CT, abdomen/pelvis — Axial slice 40/118 — abdomen soft-tissue window — 512x512 px — SOMATOM Force scanner
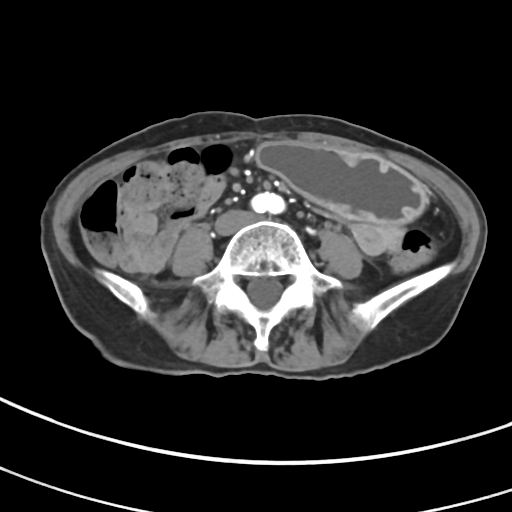
<organs><organ name="inferior vena cava" x1="215" y1="210" x2="250" y2="234"/><organ name="stomach" x1="258" y1="141" x2="426" y2="223"/></organs>